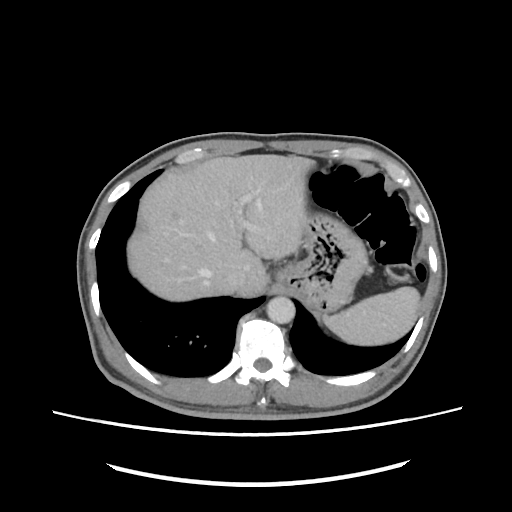 CT, abdomen/pelvis; axial view; 54-year-old male patient
Each box given as x1,y1,x2,y2. 5 labeled organs on this slice — aorta at x1=266, y1=296, x2=295, y2=323; liver at x1=127, y1=154, x2=314, y2=301; stomach at x1=276, y1=212, x2=367, y2=312; spleen at x1=324, y1=286, x2=420, y2=345; inferior vena cava at x1=221, y1=268, x2=247, y2=291.